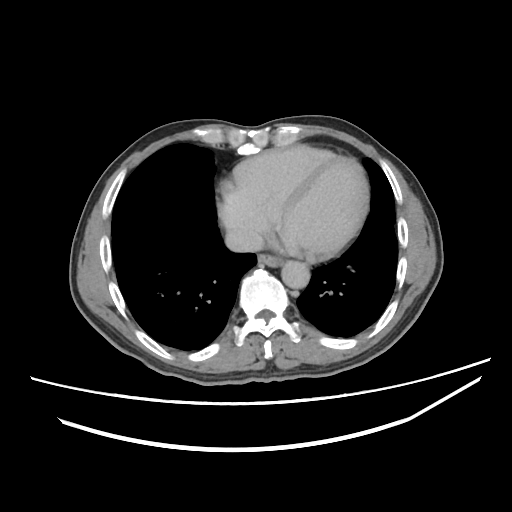 CT of the abdomen reaching into the lower chest, slice just above the liver and spleen; axial view; soft-tissue window; 512x512 px
Of the structures in the chest, this dataset labels only the esophagus, the aorta and the inferior vena cava; the heart and lungs have no label.
One row per box, in pixels: columns x1 and y1 give the top-left corner, x2 and y2 the bottom-right.
| organ | x1 | y1 | x2 | y2 |
|---|---|---|---|---|
| esophagus | 258 | 254 | 282 | 266 |
| aorta | 282 | 261 | 309 | 288 |
| inferior vena cava | 225 | 229 | 264 | 252 |